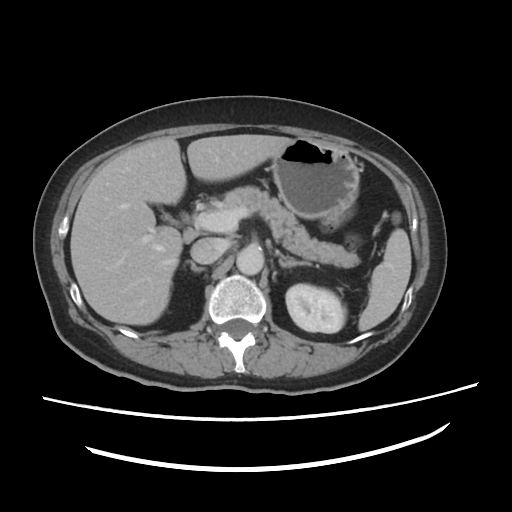
Computed tomography, abdomen — axial view — 512x512 px — 61-year-old female patient
{"organs":{"liver":[71,135,294,323],"right adrenal gland":[188,259,204,274],"left adrenal gland":[280,259,309,266],"stomach":[272,138,359,219],"left kidney":[285,284,346,333],"pancreas":[205,186,359,266],"inferior vena cava":[191,238,225,264],"spleen":[358,229,411,331],"aorta":[235,246,263,276]}}